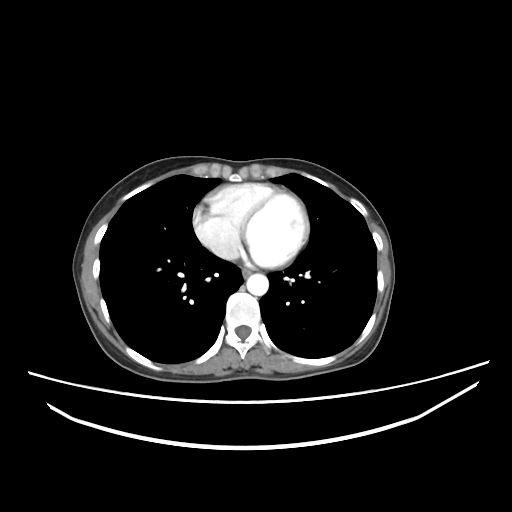

Lower-chest slice from an abdominal CT, just above the liver and spleen; axial view; 43-year-old female patient; acquired on Aquilion ONE
Of the structures in the chest, this dataset labels only the esophagus, the aorta and the inferior vena cava; the heart and lungs have no label.
{"organs":{"esophagus":[242,268,252,277],"aorta":[246,273,268,295],"inferior vena cava":[215,244,238,259]}}